Chest-level slice from an abdominal CT that extends up into the chest — axial view — soft-tissue window (W 400 / L 40) — 15 organs annotated in this scan (a whole-scan count: organs this slice does not pass through have no box)
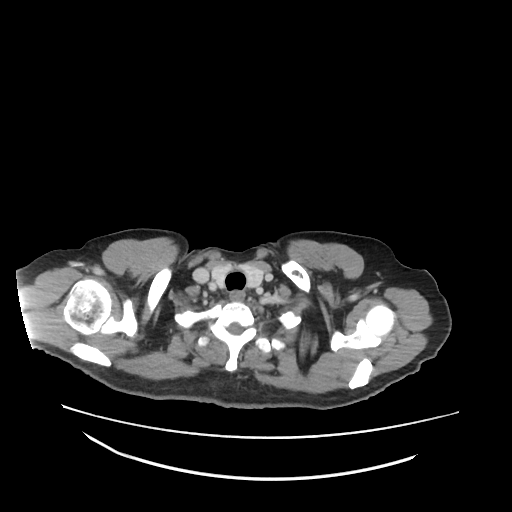

At this level of the chest this dataset labels only the esophagus and the aorta, and each is boxed only where it is labeled; the heart and lungs are never labeled. Box edges are left/top/right/bottom in pixels. 1 labeled organ on this slice — esophagus at left=229, top=290, right=244, bottom=300.